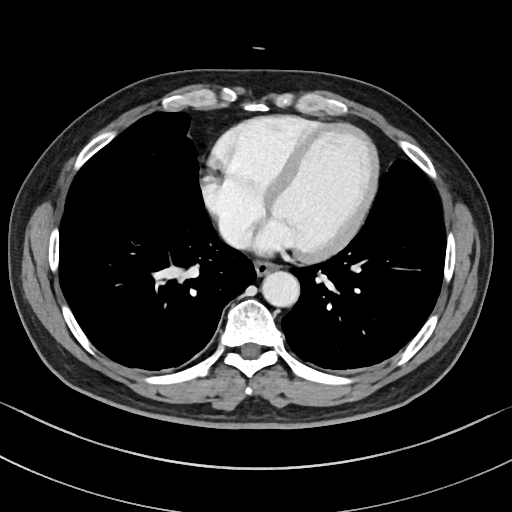
Lower-chest slice from an abdominal CT, just above the liver and spleen; axial plane, index 219; soft-tissue window, W/L 400/40; 512x512 px
Of the structures in the chest, this dataset labels only the esophagus, the aorta and the inferior vena cava; the heart and lungs have no label.
Boxes are (x1, y1, x2, y2) in pixels.
inferior vena cava: (219, 218, 250, 247)
aorta: (261, 271, 299, 306)
esophagus: (255, 259, 278, 274)